Lower-chest slice from an abdominal CT, just above the liver and spleen · axial view · scan has 15 labeled organs (a whole-scan count: organs this slice does not pass through have no box)
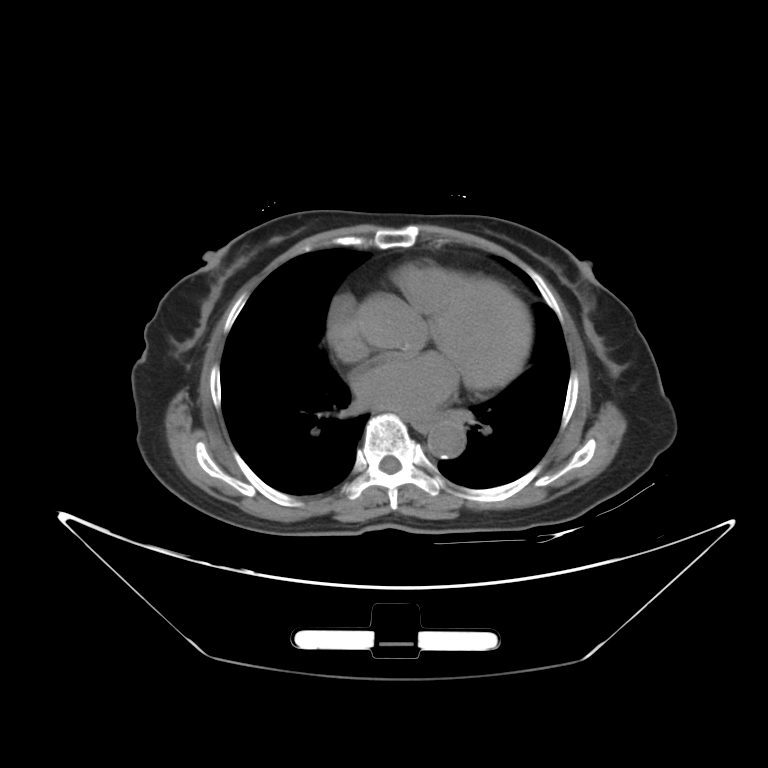 The heart and lungs are never labeled in this dataset, so they have no box on this slice.
{"organs":{"aorta":[428,420,465,459],"esophagus":[413,420,430,431]}}